Abdominal CT · Axial slice 75/116 · soft-tissue window · 512x512 px · 15 organs annotated in this scan (a whole-scan count: organs this slice does not pass through have no box)
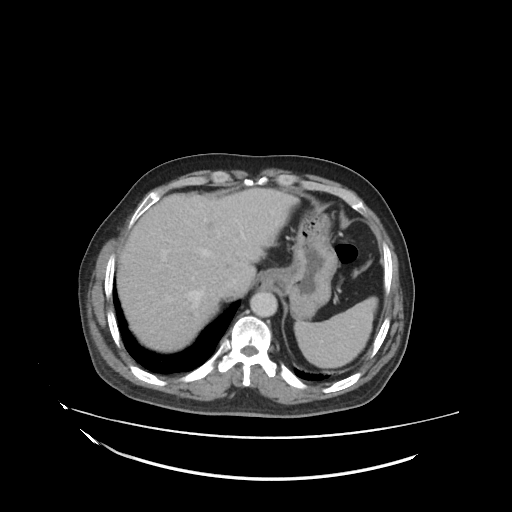 <organs><organ name="liver" x1="115" y1="187" x2="298" y2="353"/><organ name="stomach" x1="258" y1="205" x2="336" y2="318"/><organ name="aorta" x1="250" y1="290" x2="278" y2="316"/><organ name="spleen" x1="293" y1="297" x2="378" y2="369"/><organ name="inferior vena cava" x1="219" y1="281" x2="242" y2="300"/></organs>